CT abdomen. axial view. soft-tissue window (W 400 / L 40). 512x512 px
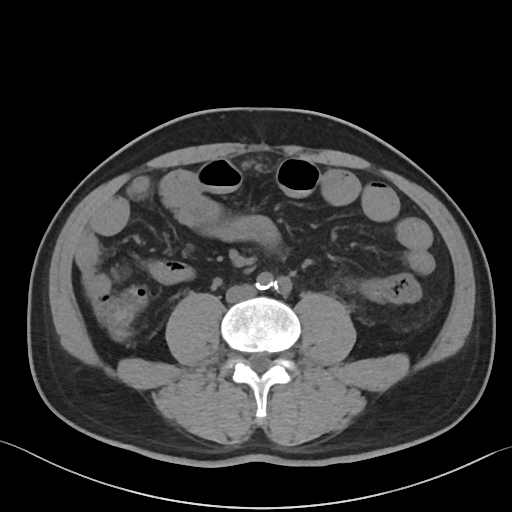
Boxes: x1 y1 x2 y2 (pixel coords, space-separated).
inferior vena cava: 225 284 255 302